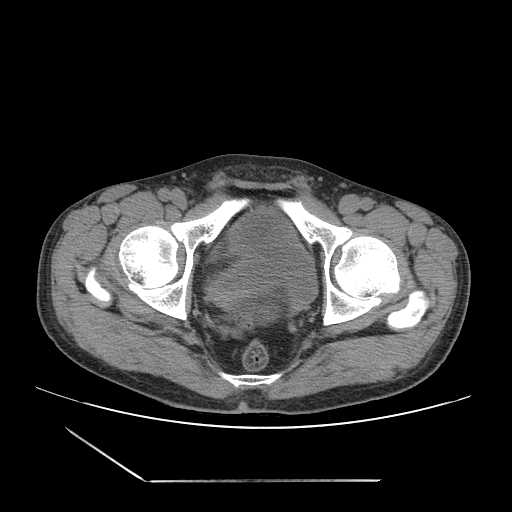

Abdominal CT. axial plane, index 29
{"organs":{"bladder":[207,209,317,303]}}